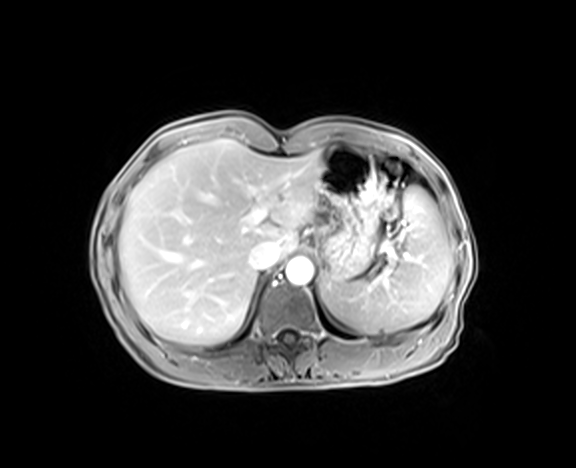

Abdominal MR; axial view; percentile-normalized; 13 organs annotated in this scan (a whole-scan count: organs this slice does not pass through have no box)
Boxes: x1 y1 x2 y2 (pixel coords, space-separated). 5 labeled organs on this slice — spleen at 322 187 452 333; liver at 118 139 322 345; stomach at 321 143 379 281; aorta at 286 258 313 284; inferior vena cava at 249 241 279 272.